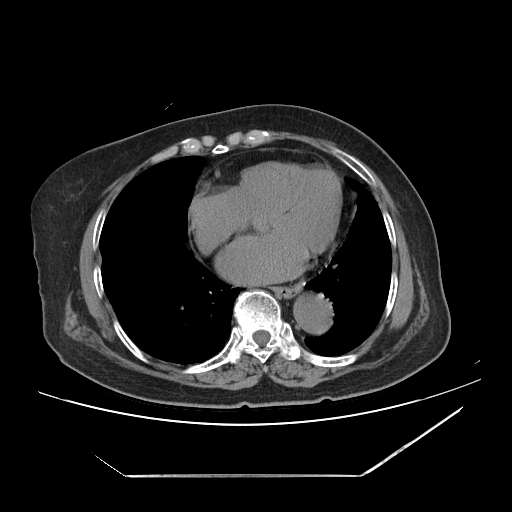
Abdominal CT; this slice is in the lower chest, just above the liver; axial view; W/L 400/40 HU; scan has 15 labeled organs (counted over the whole 3D scan, not this slice; an organ is boxed only where this slice passes through it)
No part of the heart or lungs is labeled in this dataset, so neither has a box here. Boxes are (x1, y1, x2, y2) in pixels. 2 labeled organs on this slice — esophagus at (273, 286, 300, 298); aorta at (293, 294, 332, 334).